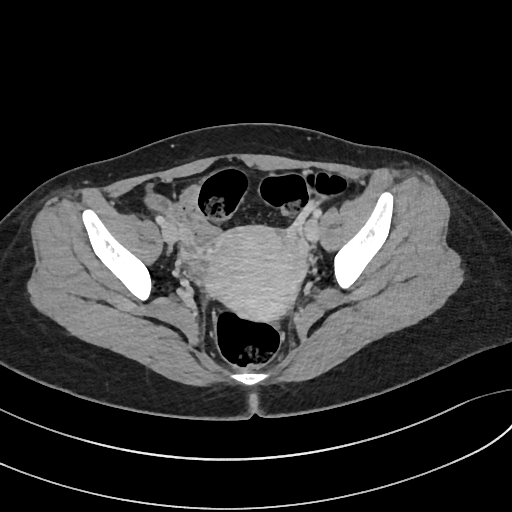

Computed tomography, abdomen · axial view
Bounding boxes in pixels, one row per box: x1, y1 is the top-left corner and x2, y2 the bottom-right.
| organ | x1 | y1 | x2 | y2 |
|---|---|---|---|---|
| prostate/uterus | 201 | 226 | 307 | 321 |